Computed tomography, abdomen. axial view. 512x512 px. 54-year-old male patient
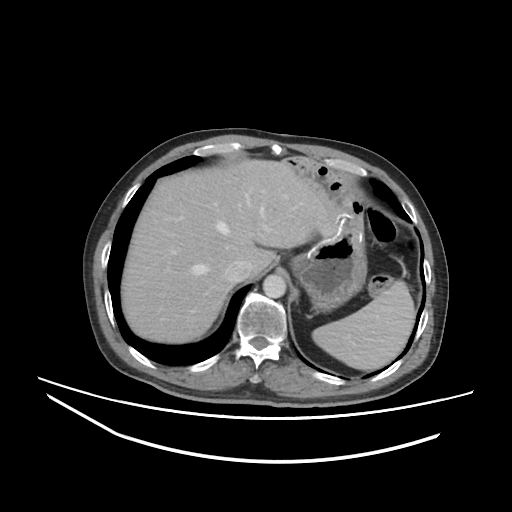
One row per box, in pixels: columns x1 and y1 give the top-left corner, x2 and y2 the bottom-right.
| organ | x1 | y1 | x2 | y2 |
|---|---|---|---|---|
| spleen | 312 | 280 | 415 | 369 |
| liver | 121 | 159 | 334 | 343 |
| stomach | 290 | 223 | 367 | 312 |
| aorta | 263 | 274 | 286 | 298 |
| inferior vena cava | 224 | 259 | 251 | 282 |